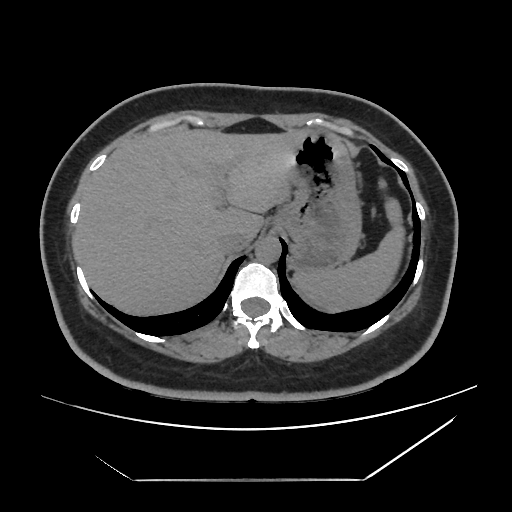

CT, abdomen/pelvis — Axial slice 271/345 — soft-tissue window (W 400 / L 40)
<organs><organ name="spleen" x1="293" y1="178" x2="404" y2="311"/><organ name="liver" x1="74" y1="128" x2="307" y2="315"/><organ name="stomach" x1="273" y1="130" x2="361" y2="271"/><organ name="aorta" x1="255" y1="236" x2="280" y2="263"/><organ name="inferior vena cava" x1="219" y1="232" x2="251" y2="253"/></organs>